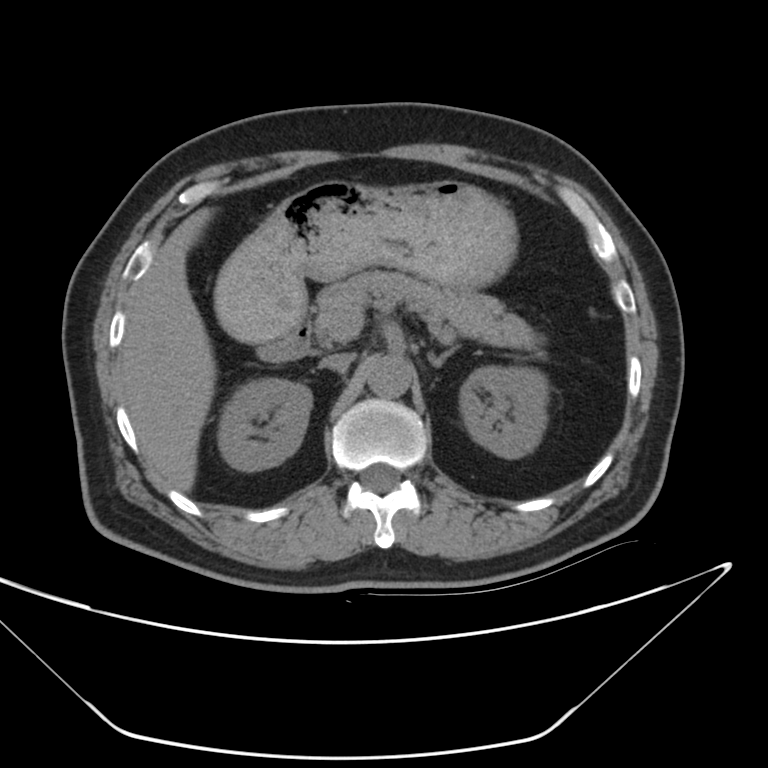

Abdominal CT — axial plane, index 72 — abdomen soft-tissue window — 768x768 px
Bounding boxes in pixels, one row per box: x1, y1 is the top-left corner and x2, y2 the bottom-right.
| organ | x1 | y1 | x2 | y2 |
|---|---|---|---|---|
| right kidney | 219 | 376 | 312 | 471 |
| left kidney | 460 | 365 | 547 | 459 |
| liver | 117 | 207 | 216 | 493 |
| stomach | 218 | 179 | 515 | 345 |
| aorta | 368 | 356 | 410 | 395 |
| inferior vena cava | 325 | 351 | 352 | 373 |
| pancreas | 311 | 270 | 533 | 350 |
| left adrenal gland | 429 | 345 | 459 | 366 |
| duodenum | 260 | 318 | 312 | 361 |